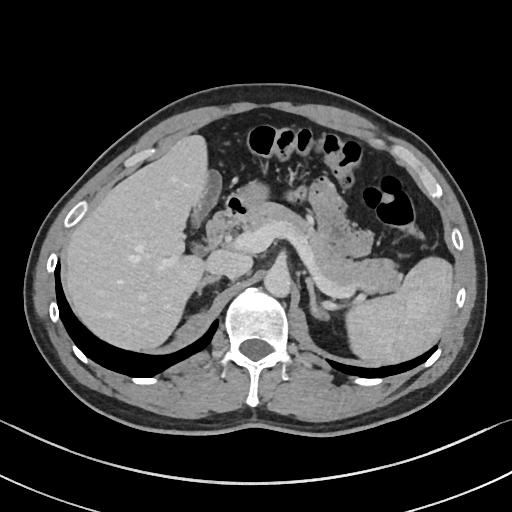 CT abdomen · axial view · soft-tissue window · 512x512 px · SOMATOM Force scanner
Box edges are left/top/right/bottom in pixels.
Organ bounding boxes:
- duodenum: left=206, top=197, right=248, bottom=247
- inferior vena cava: left=207, top=252, right=251, bottom=279
- stomach: left=229, top=181, right=268, bottom=209
- pancreas: left=243, top=201, right=401, bottom=293
- right adrenal gland: left=195, top=276, right=219, bottom=295
- spleen: left=346, top=257, right=452, bottom=363
- aorta: left=264, top=265, right=291, bottom=297
- liver: left=64, top=135, right=208, bottom=350
- left adrenal gland: left=305, top=276, right=330, bottom=319
- gall bladder: left=190, top=172, right=221, bottom=251